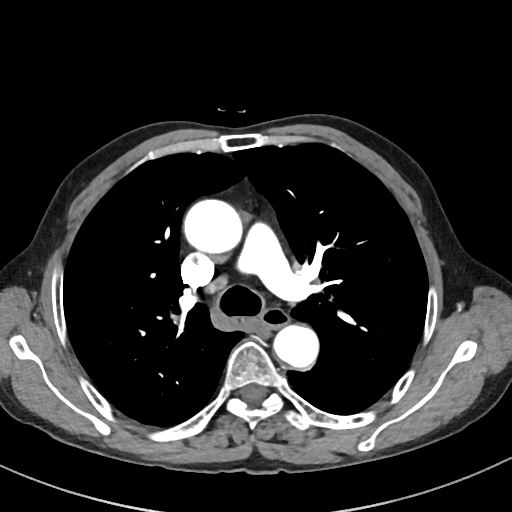

CT of the abdomen extending into the chest, slice through the chest. axial view. 512x512 px
At this level of the chest this dataset labels only the esophagus and the aorta, and each is boxed only where it is labeled; the heart and lungs are never labeled.
{"organs":{"esophagus":[261,307,287,328],"aorta":[[184,199,244,254],[273,323,318,369]]}}